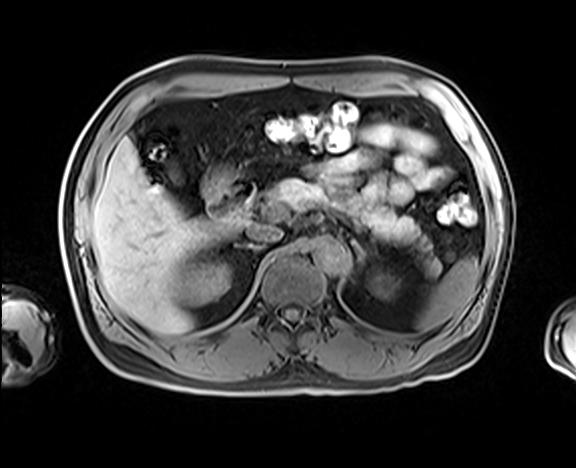 Abdominal MR · axial plane, index 36 · 1st–99th percentile window
Boxes: x1 y1 x2 y2 (pixel coords, space-separated). Labeled organs on this slice: spleen at 417 257 479 330, right kidney at 176 261 229 305, left kidney at 369 271 396 298, liver at 92 138 239 333, stomach at 199 164 236 198, aorta at 312 237 350 273, inferior vena cava at 247 225 283 242, pancreas at 267 178 440 273, right adrenal gland at 236 243 259 249, left adrenal gland at 352 239 365 265, duodenum at 206 177 255 217.